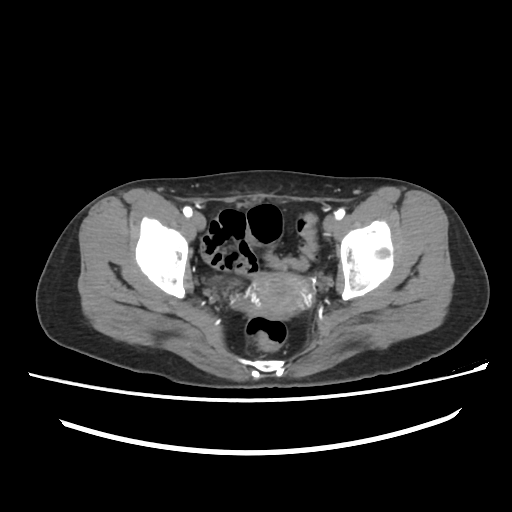

Computed tomography, abdomen · axial view · acquired on Aquilion ONE · scan has 15 labeled organs (counted over the whole 3D scan, not this slice; an organ is boxed only where this slice passes through it)
<organs><organ name="prostate/uterus" x1="244" y1="273" x2="311" y2="319"/></organs>